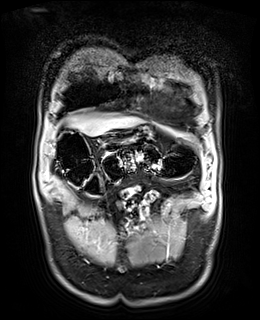
Abdominal MR · Coronal slice 121/144 · 260x320 px
Boxes are (x1, y1, x2, y2) in pixels.
Organ bounding boxes:
- stomach: (102, 125, 151, 150)
- liver: (73, 115, 142, 135)